Computed tomography, abdomen. axial view. 512x512 px
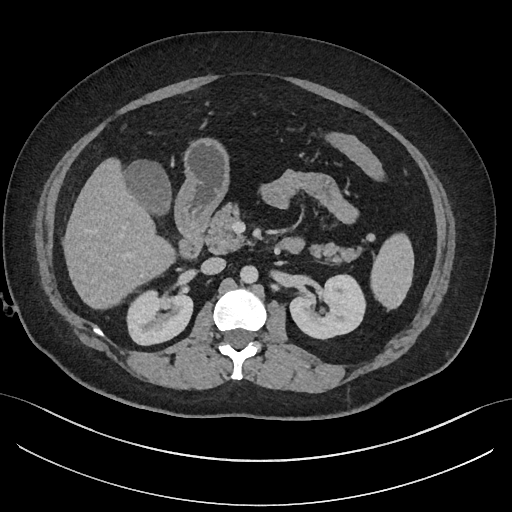 <organs><organ name="spleen" x1="369" y1="236" x2="413" y2="308"/><organ name="right kidney" x1="127" y1="290" x2="192" y2="344"/><organ name="left kidney" x1="290" y1="274" x2="367" y2="338"/><organ name="gall bladder" x1="124" y1="161" x2="169" y2="213"/><organ name="liver" x1="62" y1="158" x2="174" y2="307"/><organ name="stomach" x1="174" y1="140" x2="227" y2="238"/><organ name="aorta" x1="239" y1="265" x2="257" y2="283"/><organ name="inferior vena cava" x1="201" y1="257" x2="225" y2="275"/><organ name="pancreas" x1="204" y1="203" x2="359" y2="263"/><organ name="duodenum" x1="178" y1="235" x2="303" y2="259"/></organs>